Computed tomography, abdomen — axial view — abdomen soft-tissue window — acquired on SOMATOM Force
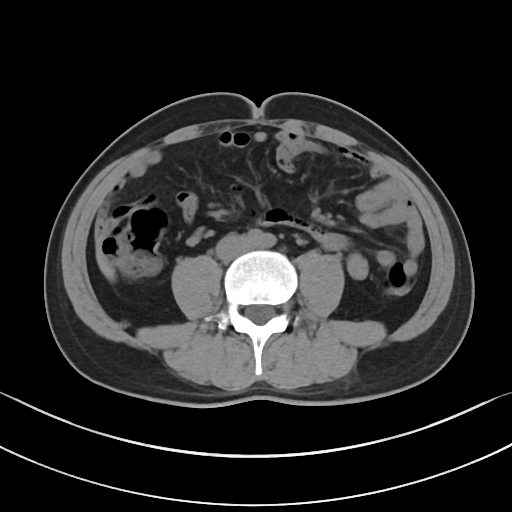

Box edges are left/top/right/bottom in pixels.
Organ bounding boxes:
- inferior vena cava: left=216, top=233, right=249, bottom=261
- liver: left=96, top=241, right=114, bottom=280